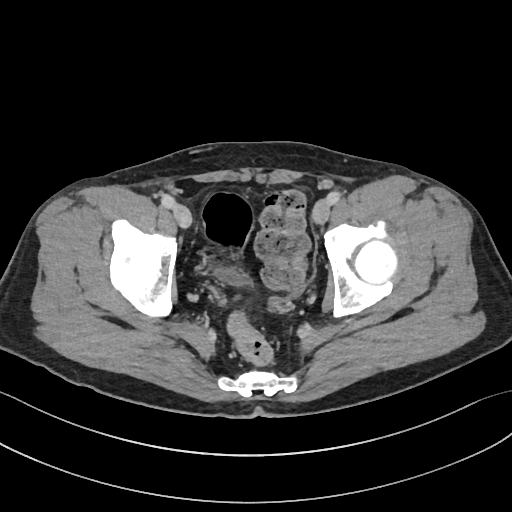

CT, abdomen/pelvis. axial view. W/L 400/40 HU. 512x512 px. SOMATOM Force scanner
Boxes: x1 y1 x2 y2 (pixel coords, space-separated).
Organ bounding boxes:
- bladder: 215 266 251 286